CT abdomen; axial view; 512x512 px
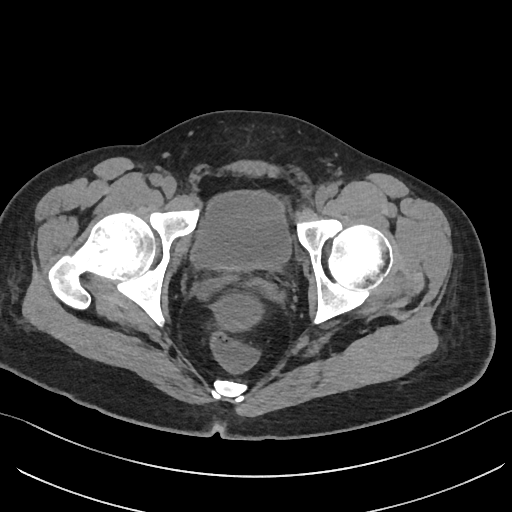 {"organs":{"bladder":[191,191,290,268]}}